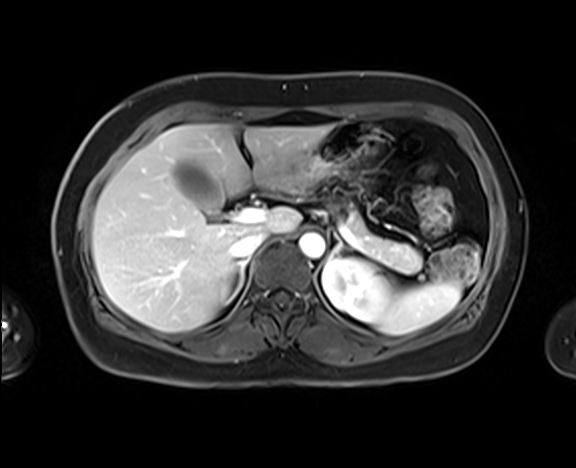 MRI, abdomen — axial plane, index 33 — 576x468 px
Bounding boxes as [x1, y1, x2, y2] in pixel coordinates. Labeled organs on this slice: spleen at [373, 280, 461, 335], left kidney at [322, 258, 390, 322], gall bladder at [175, 160, 222, 212], liver at [92, 124, 332, 332], stomach at [291, 121, 375, 186], aorta at [298, 233, 325, 258], inferior vena cava at [230, 231, 267, 259], pancreas at [345, 211, 422, 273], right adrenal gland at [229, 259, 248, 299], left adrenal gland at [330, 237, 346, 258].